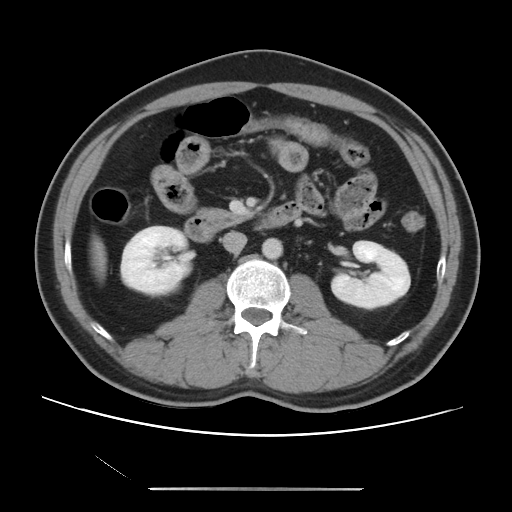 Computed tomography, abdomen — axial view — 15 organs annotated in this scan (that count is for the whole scan; organs this slice misses have no box)
Organ boxes in pixel coordinates; each row gives the top-left (x1, y1) and bottom-right (x2, y2) corners.
| organ | x1 | y1 | x2 | y2 |
|---|---|---|---|---|
| right kidney | 120 | 226 | 193 | 295 |
| left kidney | 331 | 240 | 410 | 308 |
| liver | 90 | 235 | 106 | 280 |
| aorta | 262 | 237 | 282 | 259 |
| inferior vena cava | 222 | 231 | 247 | 253 |
| pancreas | 200 | 209 | 250 | 222 |
| duodenum | 184 | 202 | 300 | 241 |